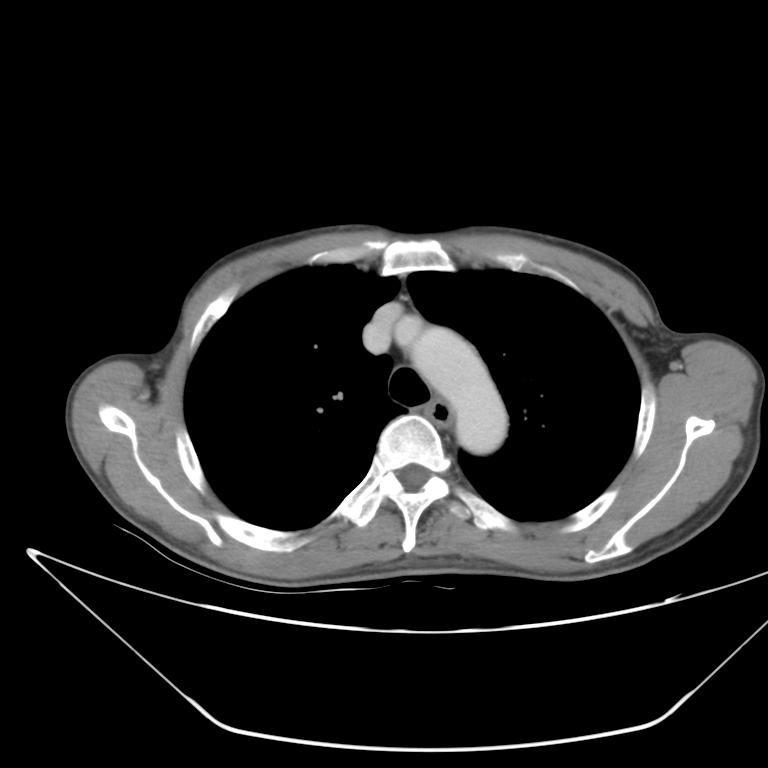

Abdominal CT reaching into the chest; this slice is in the chest; axial view; 768x768 px
At this level of the chest this dataset labels only the esophagus and the aorta, and each is boxed only where it is labeled; the heart and lungs are never labeled.
<organs><organ name="esophagus" x1="425" y1="394" x2="453" y2="426"/><organ name="aorta" x1="412" y1="327" x2="505" y2="455"/></organs>